Abdominal CT · axial view · W/L 400/40 HU · Aquilion ONE scanner · scan has 15 labeled organs (a whole-scan count: organs this slice does not pass through have no box)
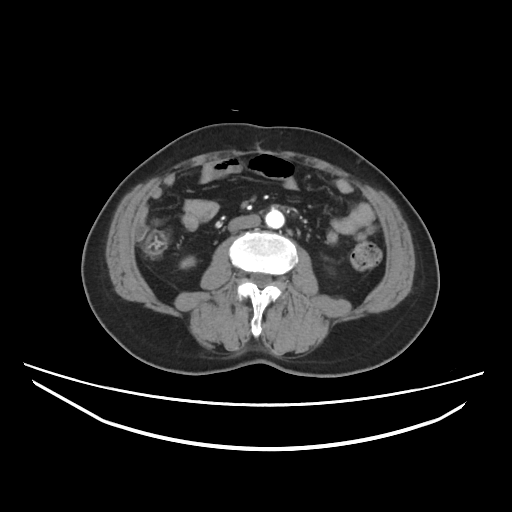
Bounding boxes as [x1, y1, x2, y2] in pixel coordinates. Labeled organs on this slice: right kidney at [180, 256, 194, 267], aorta at [265, 209, 284, 228], inferior vena cava at [228, 214, 260, 231].